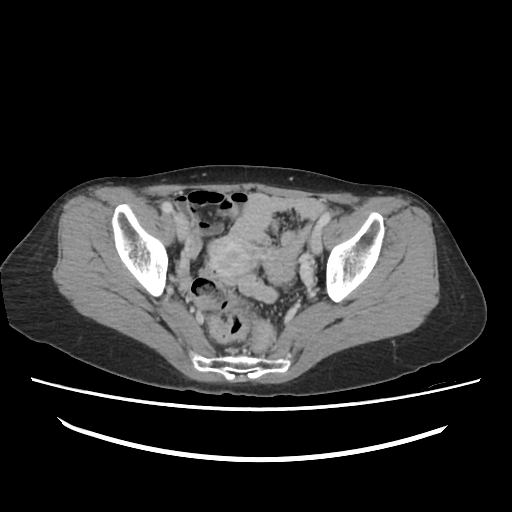

CT abdomen · Axial slice 22/82 · 54-year-old female patient
Box edges are left/top/right/bottom in pixels.
Organ bounding boxes:
- prostate/uterus: left=208, top=237, right=257, bottom=276